Abdominal CT; Axial slice 64/114; W/L 400/40 HU; 512x512 px
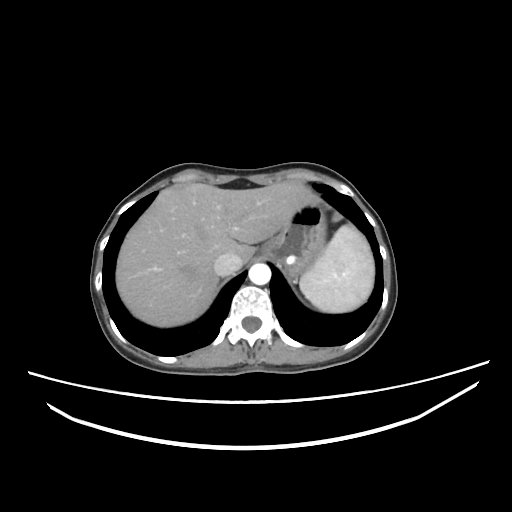
Boxes: x1:y1:x2:y2 in pixels.
Organ bounding boxes:
- spleen: 299:225:374:312
- inferior vena cava: 214:253:242:276
- aorta: 248:263:271:284
- liver: 116:181:311:327
- stomach: 261:196:326:275